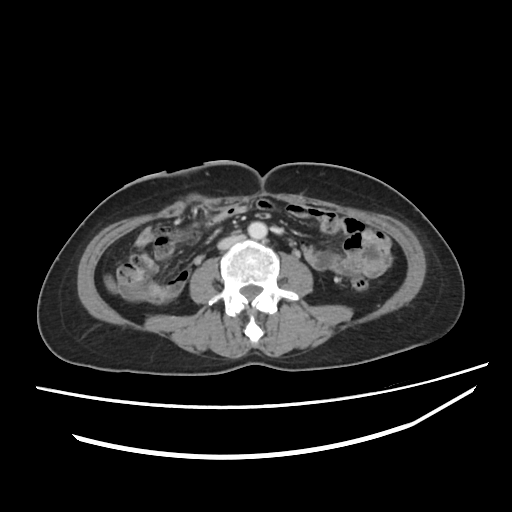
CT abdomen · Axial slice 45/118 · 512x512 px · 54-year-old female patient · acquired on Aquilion ONE
Bounding boxes as [x1, y1, x2, y2] in pixel coordinates.
Organ bounding boxes:
- aorta: [248, 221, 267, 239]
- inferior vena cava: [217, 234, 244, 249]